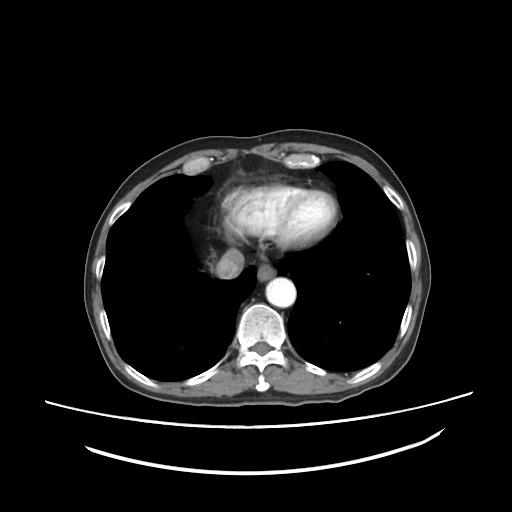 Lower-chest slice from an abdominal CT, just above the liver and spleen. axial view
No part of the heart or lungs is labeled in this dataset, so neither has a box here.
Boxes: x1:y1:x2:y2 in pixels.
Organ bounding boxes:
- esophagus: 257:264:272:280
- inferior vena cava: 216:249:244:279
- aorta: 265:277:296:307